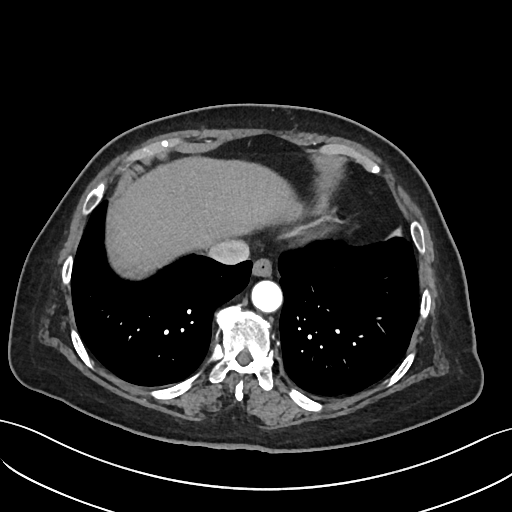

CT abdomen — axial view — soft-tissue window — 512x512 px — 15 organs annotated in this scan (counted over the whole 3D scan, not this slice; an organ is boxed only where this slice passes through it)
{"organs":{"esophagus":[253,259,272,275],"inferior vena cava":[207,240,249,264],"aorta":[251,279,281,311],"liver":[112,158,305,271]}}